Computed tomography, abdomen · Axial slice 74/82
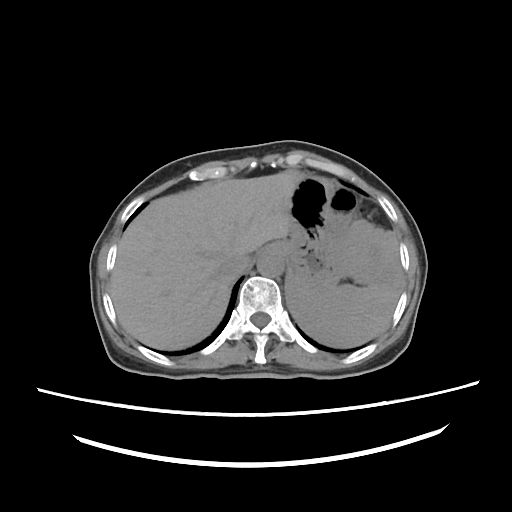 <organs><organ name="esophagus" x1="259" y1="243" x2="278" y2="253"/><organ name="spleen" x1="286" y1="229" x2="401" y2="347"/><organ name="liver" x1="110" y1="170" x2="302" y2="349"/><organ name="stomach" x1="275" y1="175" x2="383" y2="290"/><organ name="aorta" x1="257" y1="252" x2="284" y2="277"/><organ name="inferior vena cava" x1="223" y1="254" x2="252" y2="276"/></organs>